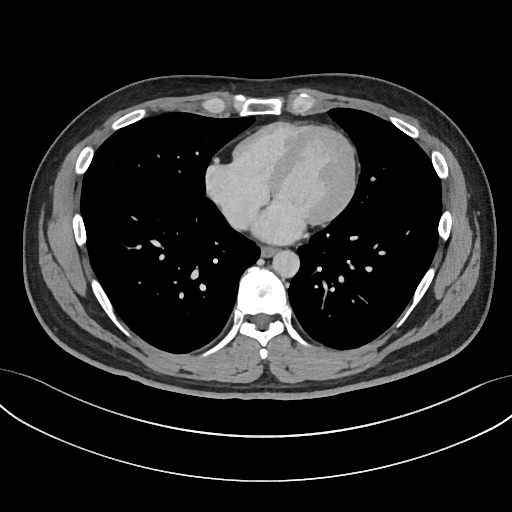

Lower-chest slice from an abdominal CT, just above the liver and spleen; axial view; soft-tissue window; 512x512 px; scan has 15 labeled organs (a whole-scan count: organs this slice does not pass through have no box)
No part of the heart or lungs is labeled in this dataset, so neither has a box here.
Bounding boxes in pixels, one row per box: x1, y1 is the top-left corner and x2, y2 the bottom-right.
| organ | x1 | y1 | x2 | y2 |
|---|---|---|---|---|
| esophagus | 260 | 248 | 276 | 257 |
| aorta | 272 | 251 | 300 | 277 |